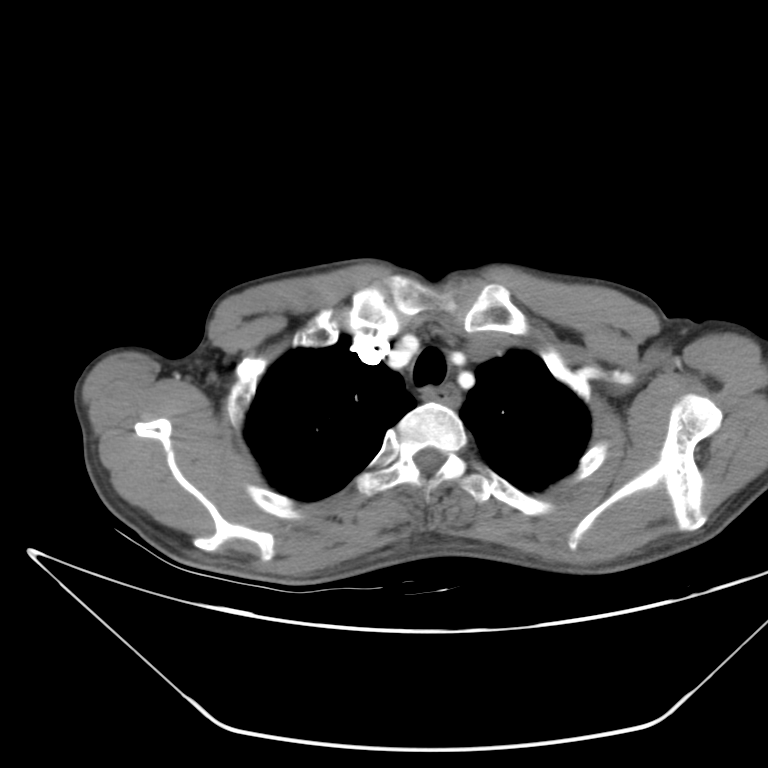

CT of the abdomen extending into the chest, slice through the chest · axial view · 768x768 px · 62-year-old male patient
At this level of the chest this dataset labels only the esophagus and the aorta, and each is boxed only where it is labeled; the heart and lungs are never labeled.
<organs><organ name="esophagus" x1="424" y1="386" x2="463" y2="409"/></organs>